Computed tomography, abdomen · axial view · soft-tissue window (W 400 / L 40) · 15 organs annotated in this scan (counted over the whole 3D scan, not this slice; an organ is boxed only where this slice passes through it)
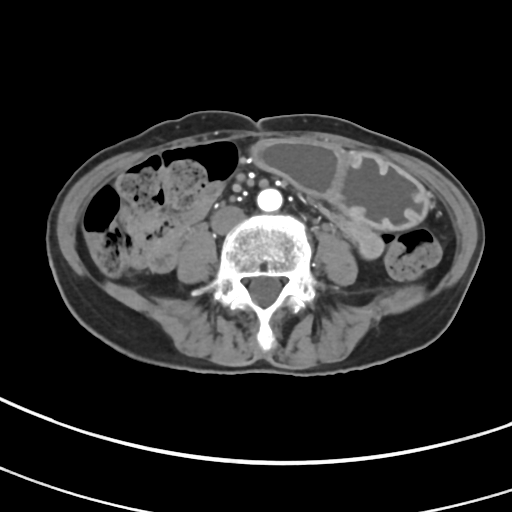
Bounding boxes as [x1, y1, x2, y2] in pixel coordinates.
Organ bounding boxes:
- stomach: [253, 140, 428, 229]
- aorta: [257, 188, 282, 211]
- inferior vena cava: [211, 206, 244, 233]